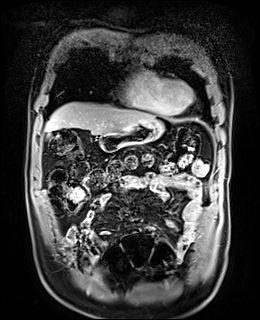
Abdominal MRI — coronal acquisition — 1st–99th percentile window
Each box given as x1,y1,x2,y2.
liver: x1=45, y1=102, x2=155, y2=134
stomach: x1=98, y1=119, x2=164, y2=151